CT, abdomen/pelvis — axial plane, index 163 — abdomen soft-tissue window
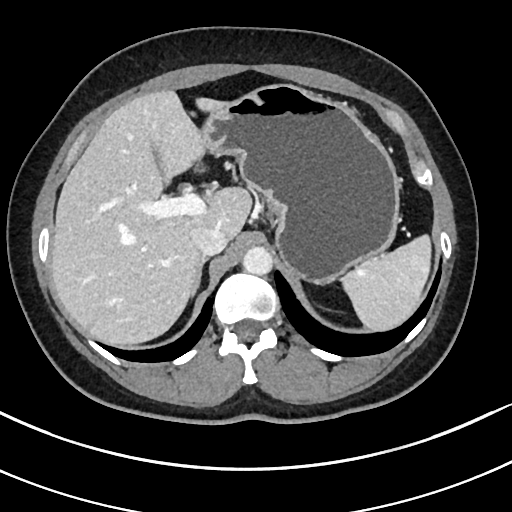 Boxes: x1 y1 x2 y2 (pixel coords, space-separated).
Organ bounding boxes:
- spleen: 339 235 430 328
- liver: 51 90 252 344
- aorta: 242 247 272 275
- stomach: 202 84 400 284
- inferior vena cava: 192 226 228 255
- right adrenal gland: 191 258 207 296